Computed tomography, abdomen · Axial slice 16/206 · W/L 400/40 HU · 512x512 px · 15 organs annotated in this scan (a whole-scan count: organs this slice does not pass through have no box)
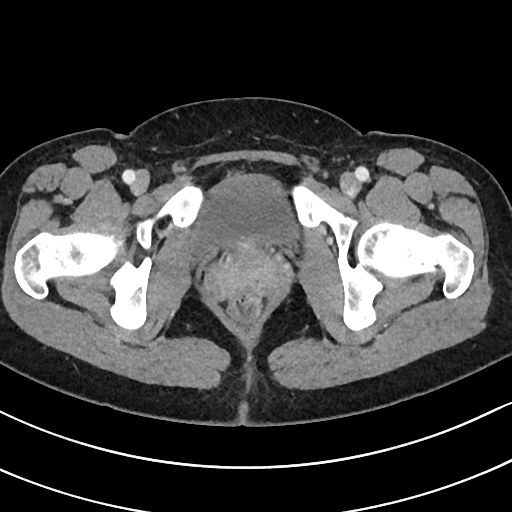
Bounding boxes in pixels, one row per box: x1, y1 is the top-left corner and x2, y2 the bottom-right.
| organ | x1 | y1 | x2 | y2 |
|---|---|---|---|---|
| bladder | 188 | 174 | 300 | 259 |